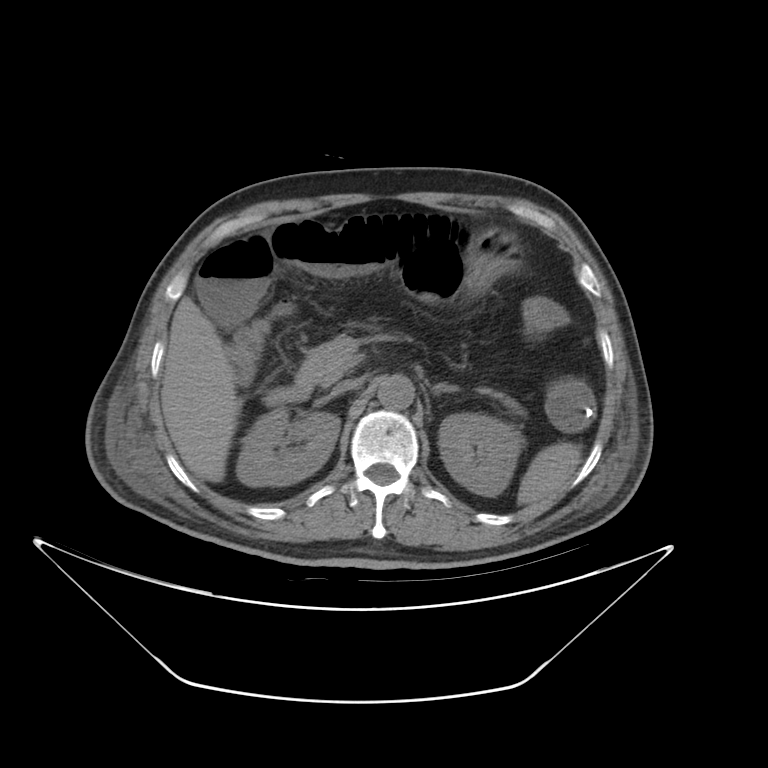
Abdominal CT — axial view — abdomen soft-tissue window — 66-year-old male patient — 15 organs annotated in this scan (counted over the whole 3D scan, not this slice; an organ is boxed only where this slice passes through it)
Boxes: x1 y1 x2 y2 (pixel coords, space-separated).
spleen: 515 441 581 502
right kidney: 234 409 338 485
left kidney: 437 414 520 496
liver: 161 296 243 482
stomach: 465 229 522 289
aorta: 376 376 415 408
inferior vena cava: 329 377 364 398
pancreas: 299 335 517 406
left adrenal gland: 430 384 455 394
duodenum: 262 381 316 407